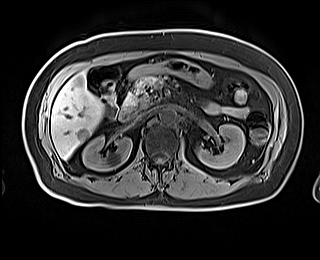

MRI, abdomen; axial view; Prisma scanner
{"organs":{"inferior vena cava":[135,110,149,120],"liver":[51,71,103,159],"left kidney":[196,124,245,168],"duodenum":[119,109,135,121],"pancreas":[123,75,180,111],"aorta":[159,107,176,122],"right kidney":[82,135,131,170],"stomach":[127,59,212,87]}}